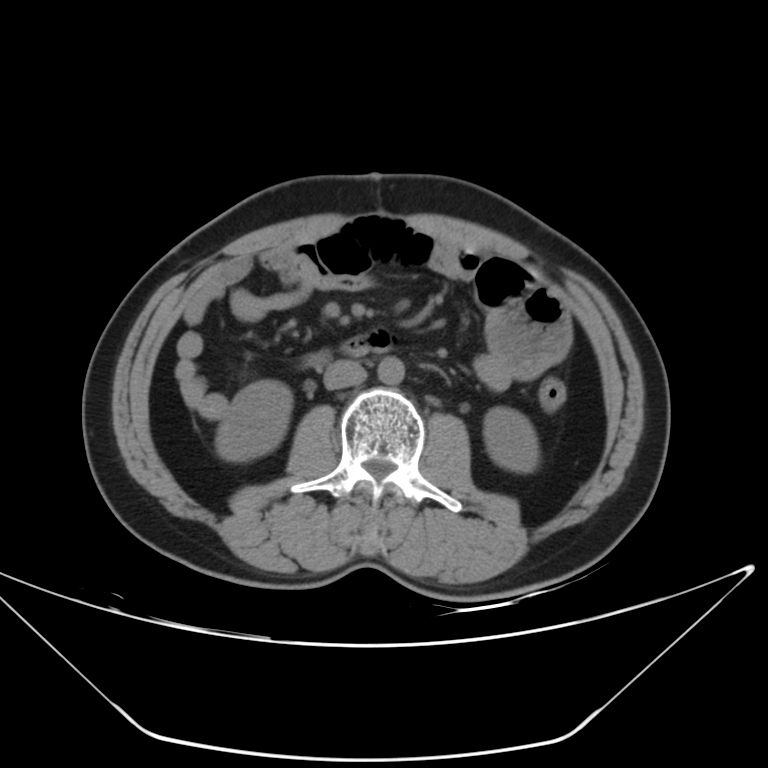

CT abdomen. axial plane, index 55. 50-year-old male patient. 15 organs annotated in this scan (a whole-scan count: organs this slice does not pass through have no box)
{"organs":{"right kidney":[216,380,292,461],"left kidney":[483,407,538,472],"aorta":[378,356,404,384],"inferior vena cava":[323,360,366,389],"duodenum":[345,332,393,352]}}